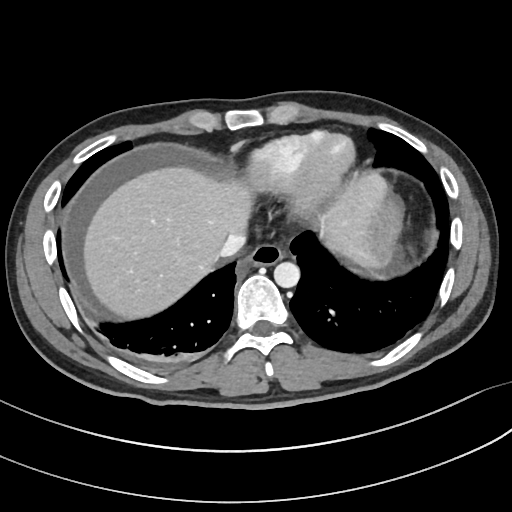 CT abdomen · axial view · 512x512 px · SOMATOM Force scanner
Organ boxes in pixel coordinates; each row gives the top-left (x1, y1) and bottom-right (x2, y2) corners.
| organ | x1 | y1 | x2 | y2 |
|---|---|---|---|---|
| aorta | 273 | 262 | 300 | 288 |
| liver | 85 | 169 | 389 | 316 |
| stomach | 374 | 202 | 400 | 267 |
| esophagus | 236 | 244 | 283 | 274 |
| inferior vena cava | 219 | 231 | 247 | 256 |